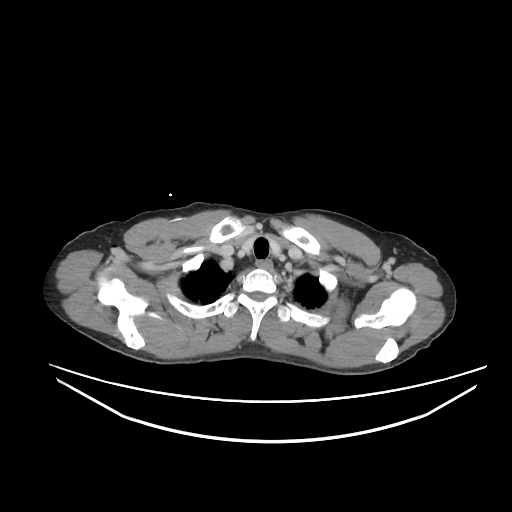
CT of the abdomen extending into the chest, slice through the chest; axial view; soft-tissue window; 15 organs annotated in this scan (counted over the whole 3D scan, not this slice; an organ is boxed only where this slice passes through it)
At this level of the chest no structure but the esophagus and the aorta has a label in this dataset, and those two are boxed only where they are labeled.
Boxes: x1:y1:x2:y2 in pixels.
Organ bounding boxes:
- esophagus: 257:260:272:269